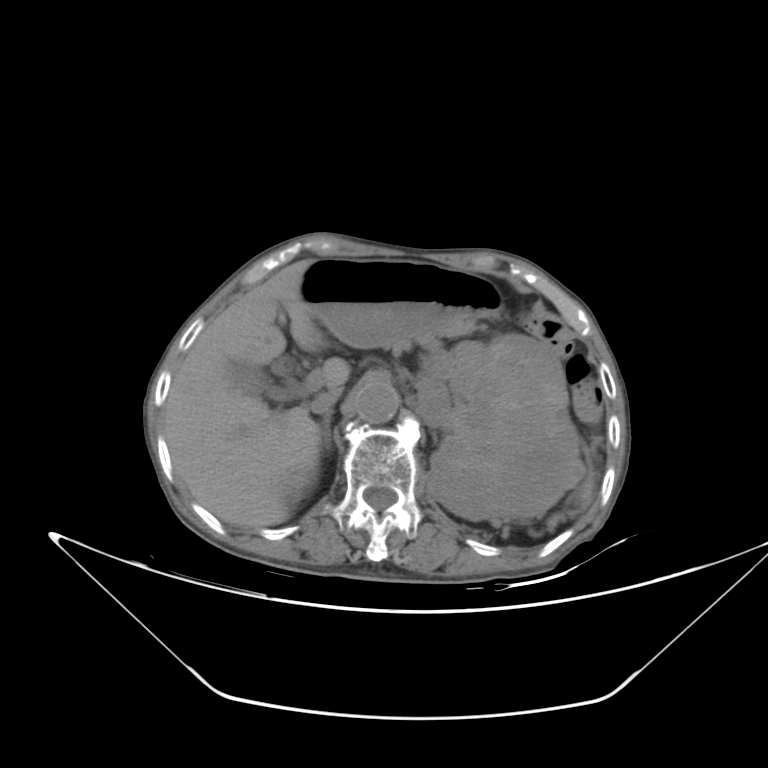 Abdominal CT; axial view; W/L 400/40 HU; 768x768 px; Brilliance16 scanner
<organs><organ name="stomach" x1="299" y1="257" x2="501" y2="344"/><organ name="inferior vena cava" x1="311" y1="389" x2="340" y2="414"/><organ name="right kidney" x1="287" y1="469" x2="308" y2="500"/><organ name="aorta" x1="354" y1="384" x2="398" y2="423"/><organ name="right adrenal gland" x1="323" y1="411" x2="333" y2="453"/><organ name="spleen" x1="581" y1="463" x2="595" y2="507"/><organ name="left kidney" x1="417" y1="331" x2="586" y2="520"/><organ name="liver" x1="163" y1="259" x2="349" y2="524"/><organ name="gall bladder" x1="229" y1="363" x2="291" y2="400"/><organ name="pancreas" x1="393" y1="317" x2="480" y2="350"/></organs>